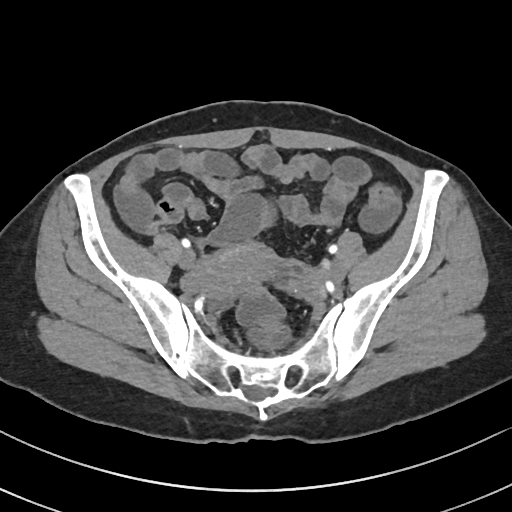

Computed tomography, abdomen; axial plane, index 85; soft-tissue window (W 400 / L 40); scan has 15 labeled organs (that count is for the whole scan; organs this slice misses have no box)
Boxes: x1 y1 x2 y2 (pixel coords, space-separated).
prostate/uterus: 198 242 280 296